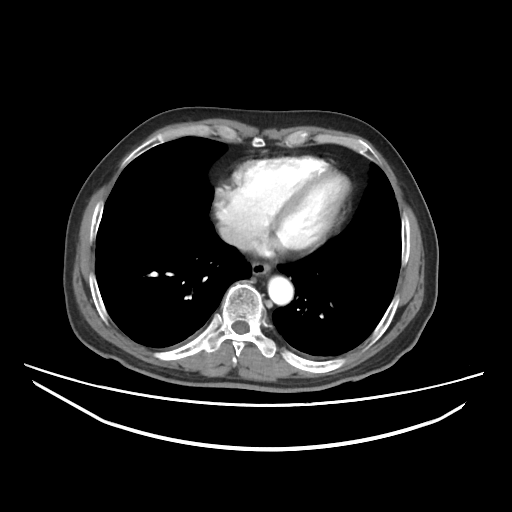

Lower-chest slice from an abdominal CT, just above the liver and spleen · axial view
Of the structures in the chest, this dataset labels only the esophagus, the aorta and the inferior vena cava; the heart and lungs have no label. Box edges are left/top/right/bottom in pixels. The annotated organs in this slice are: esophagus at left=252, top=262, right=271, bottom=276, aorta at left=268, top=276, right=293, bottom=304, inferior vena cava at left=219, top=223, right=253, bottom=249.